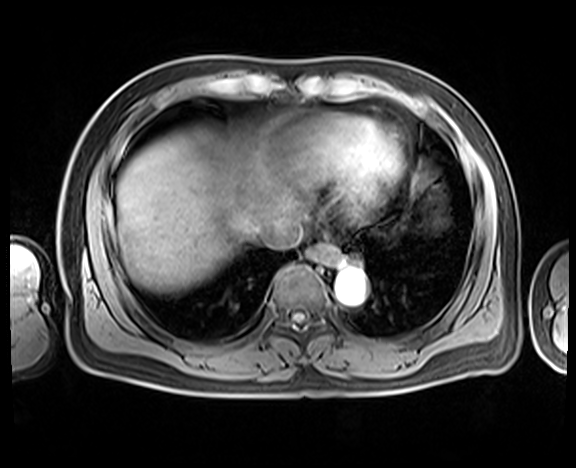
Abdominal MRI · axial view
Bounding boxes as [x1, y1, x2, y2] in pixel coordinates. Labeled organs on this slice: esophagus at [308, 243, 338, 264], liver at [117, 132, 342, 291], aorta at [335, 269, 365, 303], inferior vena cava at [259, 215, 302, 248].